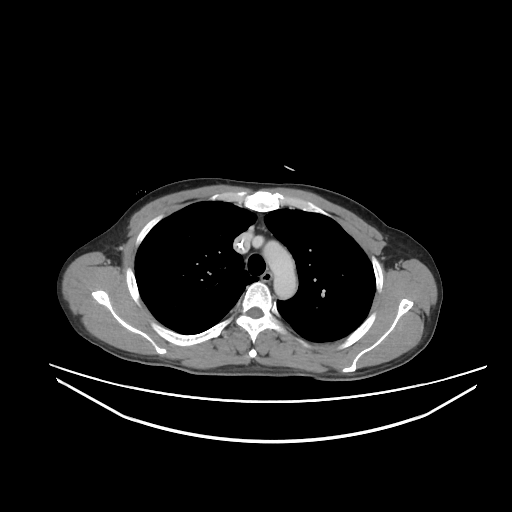 Chest-level slice from an abdominal CT that extends up into the chest. axial view. soft-tissue window. 512x512 px
At this level of the chest this dataset labels only the esophagus and the aorta, and each is boxed only where it is labeled; the heart and lungs are never labeled.
Organ boxes in pixel coordinates; each row gives the top-left (x1, y1) and bottom-right (x2, y2) corners.
| organ | x1 | y1 | x2 | y2 |
|---|---|---|---|---|
| aorta | 262 | 240 | 296 | 299 |
| esophagus | 261 | 272 | 270 | 281 |